Abdominal CT · axial view · soft-tissue window (W 400 / L 40)
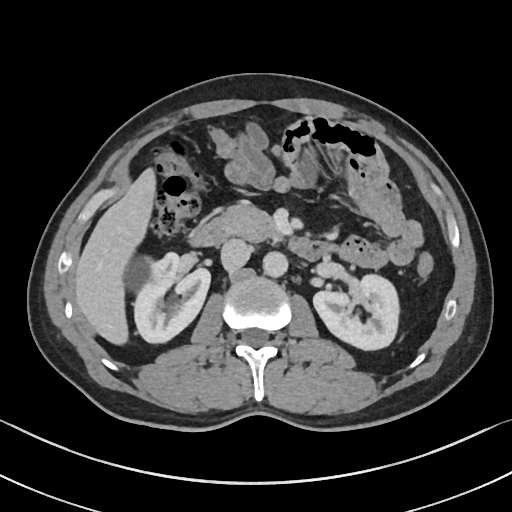 <organs><organ name="pancreas" x1="211" y1="204" x2="281" y2="242"/><organ name="liver" x1="74" y1="165" x2="158" y2="346"/><organ name="duodenum" x1="187" y1="222" x2="330" y2="260"/><organ name="inferior vena cava" x1="220" y1="239" x2="250" y2="270"/><organ name="left kidney" x1="313" y1="275" x2="398" y2="351"/><organ name="right kidney" x1="135" y1="254" x2="210" y2="343"/><organ name="aorta" x1="263" y1="252" x2="288" y2="278"/></organs>